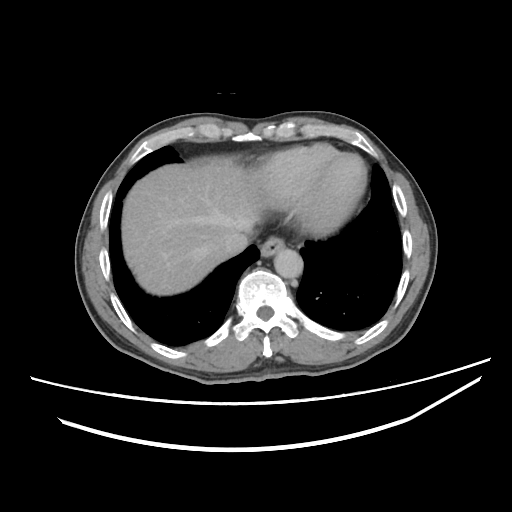

Computed tomography, abdomen. axial plane, index 94. Aquilion ONE scanner
Coordinates as <box>x1,y1,x2,y2</box> in pixels.
Organ bounding boxes:
- esophagus: <box>260,238,284,256</box>
- liver: <box>120,156,261,295</box>
- aorta: <box>274,246,304,279</box>
- inferior vena cava: <box>220,231,247,256</box>